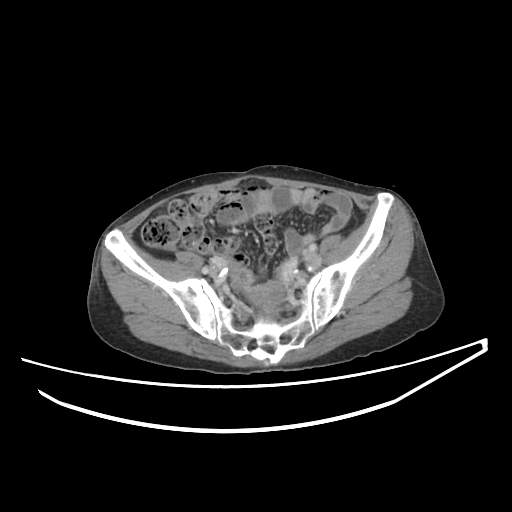 Abdominal CT · axial plane, index 27 · W/L 400/40 HU · 512x512 px · acquired on Aquilion ONE · scan has 15 labeled organs (counted over the whole 3D scan, not this slice; an organ is boxed only where this slice passes through it)
<organs><organ name="prostate/uterus" x1="248" y1="292" x2="285" y2="308"/></organs>